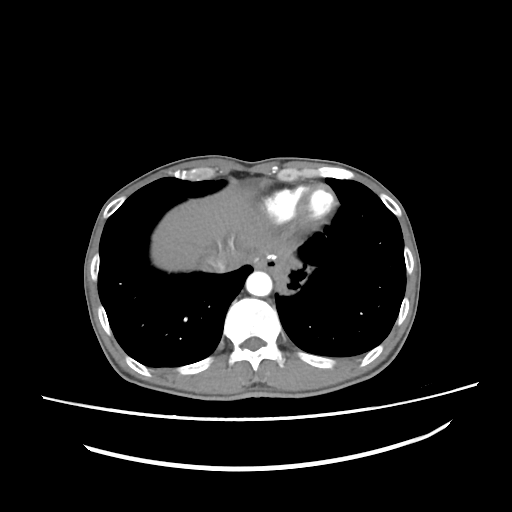 CT abdomen — axial plane, index 83 — 512x512 px
Boxes: x1:y1:x2:y2 in pixels. The annotated organs in this slice are: liver at 151:187:291:271, aorta at 246:271:272:296, inferior vena cava at 202:251:228:272.